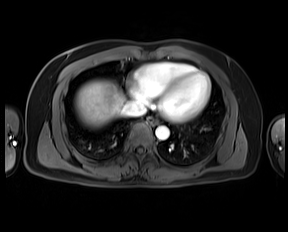 Abdominal MR · axial view · 1st–99th percentile window
<organs><organ name="esophagus" x1="147" y1="117" x2="158" y2="124"/><organ name="liver" x1="75" y1="79" x2="126" y2="128"/><organ name="aorta" x1="155" y1="126" x2="169" y2="139"/><organ name="inferior vena cava" x1="122" y1="101" x2="146" y2="116"/></organs>